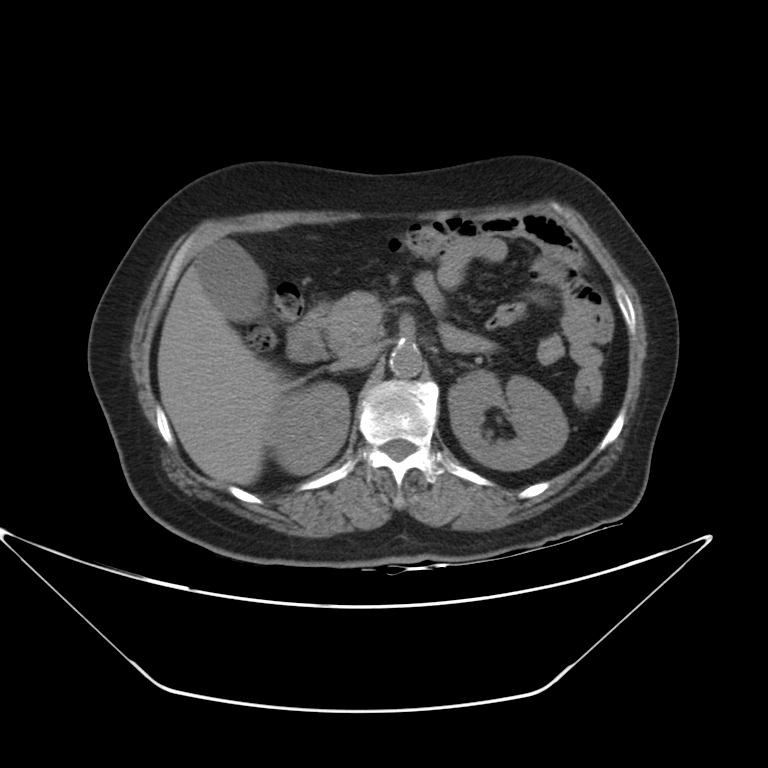 CT, abdomen/pelvis — Axial slice 67/97 — soft-tissue window — 768x768 px
<organs><organ name="right kidney" x1="269" y1="381" x2="349" y2="473"/><organ name="liver" x1="158" y1="263" x2="289" y2="484"/><organ name="aorta" x1="389" y1="345" x2="422" y2="378"/><organ name="gall bladder" x1="195" y1="240" x2="266" y2="320"/><organ name="left kidney" x1="447" y1="371" x2="568" y2="471"/><organ name="duodenum" x1="286" y1="305" x2="326" y2="361"/><organ name="inferior vena cava" x1="333" y1="345" x2="379" y2="370"/><organ name="pancreas" x1="321" y1="291" x2="379" y2="348"/></organs>